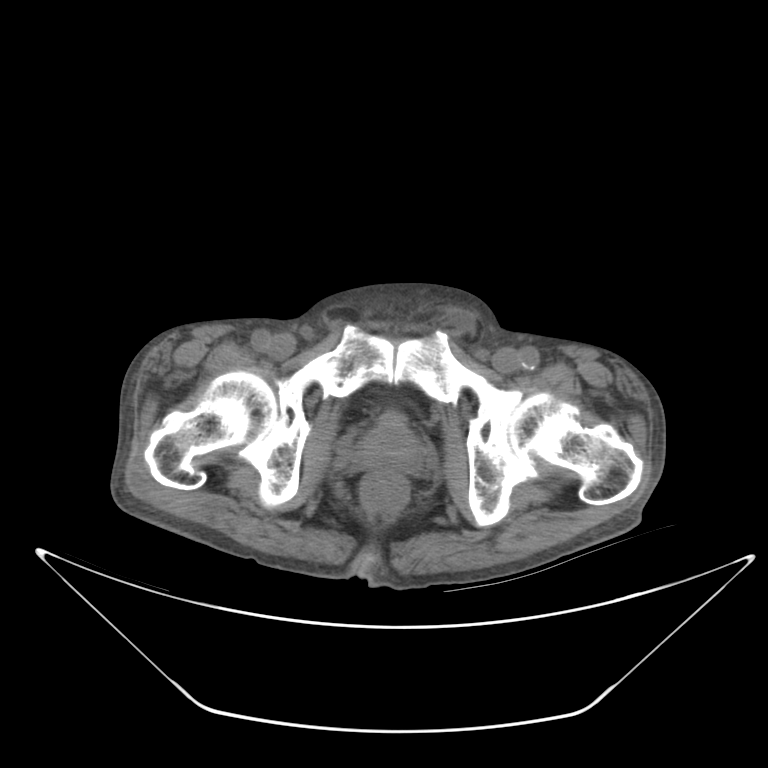

Computed tomography, abdomen · axial view · soft-tissue window · acquired on Brilliance16
{"organs":{"prostate/uterus":[357,412,421,468]}}